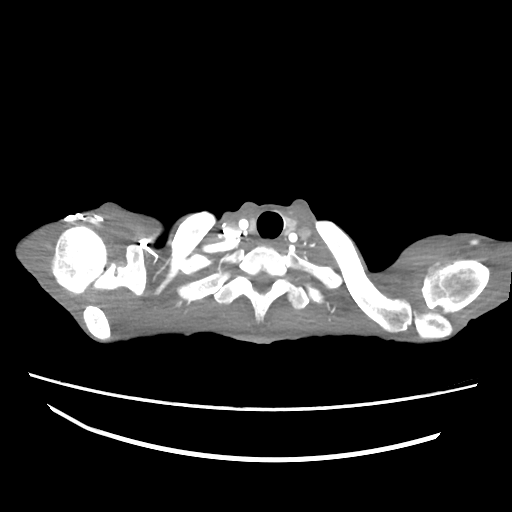 Chest-level slice from an abdominal CT that extends up into the chest · axial view · soft-tissue window · 512x512 px
At this level of the chest this dataset labels only the esophagus and the aorta, and each is boxed only where it is labeled; the heart and lungs are never labeled.
<organs><organ name="esophagus" x1="256" y1="239" x2="283" y2="249"/></organs>